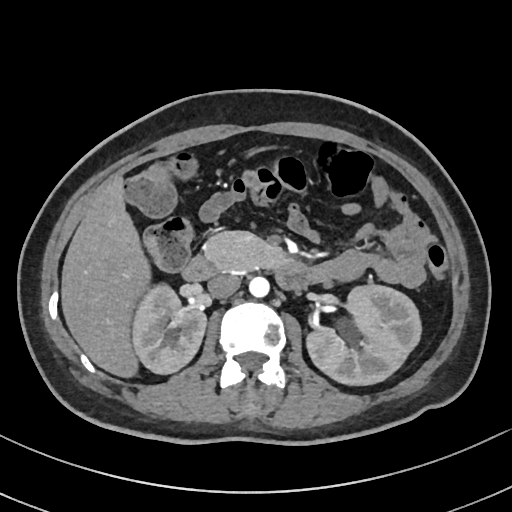
Abdominal CT. axial view
Boxes: x1:y1:x2:y2 in pixels.
Organ bounding boxes:
- right kidney: 131:285:205:373
- left kidney: 307:284:422:384
- liver: 62:179:149:375
- aorta: 249:276:269:296
- inferior vena cava: 208:273:240:298
- pancreas: 204:231:291:271
- duodenum: 183:255:318:289